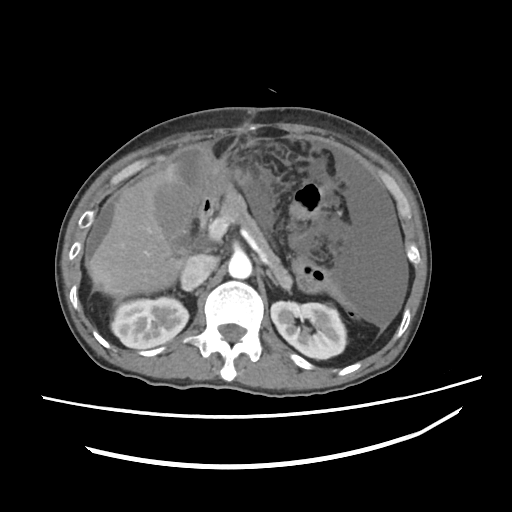 CT, abdomen/pelvis · Axial slice 73/103 · soft-tissue window (W 400 / L 40) · 512x512 px
Each box given as x1,y1,x2,y2.
Organ bounding boxes:
- left kidney: x1=270, y1=301, x2=346, y2=358
- inferior vena cava: x1=182, y1=255, x2=215, y2=289
- gall bladder: x1=152, y1=181, x2=187, y2=251
- duodenum: x1=199, y1=205, x2=213, y2=228
- stomach: x1=201, y1=168, x2=234, y2=208
- right kidney: x1=111, y1=298, x2=188, y2=348
- left adrenal gland: x1=268, y1=273, x2=275, y2=283
- pancreas: x1=220, y1=191, x2=293, y2=288
- aorta: x1=228, y1=254, x2=252, y2=277
- liver: x1=91, y1=164, x2=182, y2=292